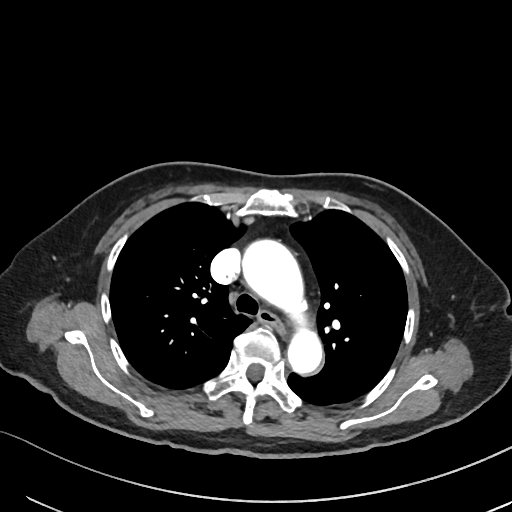

Chest-level CT slice, above the liver and spleen · Axial slice 259/297 · soft-tissue window
At this level of the chest this dataset labels only the esophagus and the aorta, and each is boxed only where it is labeled; the heart and lungs are never labeled.
Coordinates as <box>x1,y1,x2,y2</box> in pixels.
aorta: <box>242,239,322,374</box>
esophagus: <box>258,311,286,335</box>